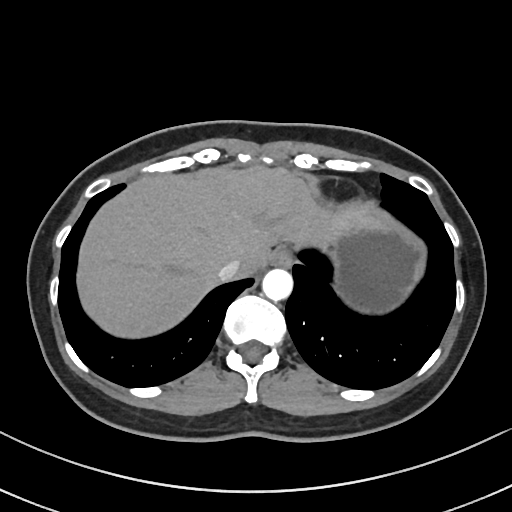 Abdominal CT · axial view · W/L 400/40 HU · 512x512 px
Boxes are (x1, y1, x2, y2) in pixels.
Organ bounding boxes:
- esophagus: (272, 244, 292, 266)
- liver: (77, 165, 386, 337)
- stomach: (323, 215, 426, 314)
- aorta: (262, 268, 292, 300)
- inferior vena cava: (218, 258, 240, 281)